Computed tomography, abdomen. axial plane, index 285. abdomen soft-tissue window
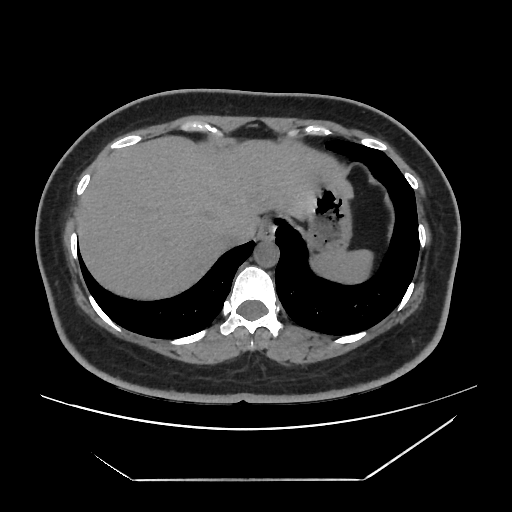
Boxes: x1 y1 x2 y2 (pixel coords, space-separated).
Organ bounding boxes:
- stomach: 308 183 350 250
- spleen: 313 249 371 281
- inferior vena cava: 221 219 258 245
- liver: 79 136 352 297
- aorta: 254 241 279 267
- esophagus: 258 222 274 240